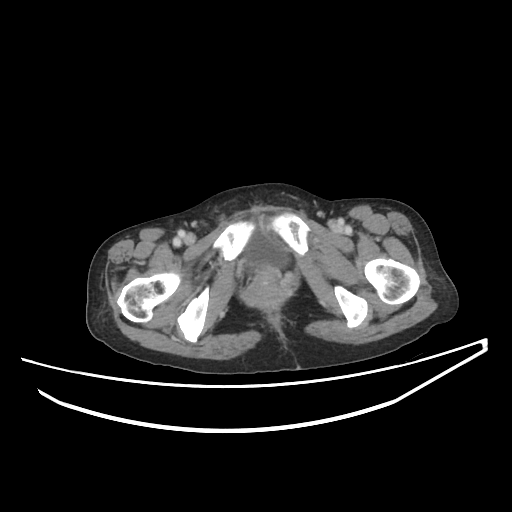

CT, abdomen/pelvis · axial view · soft-tissue window · 62-year-old female patient
Boxes are (x1, y1, x2, y2) in pixels. The annotated organs in this slice are: bladder at (245, 233, 285, 268).